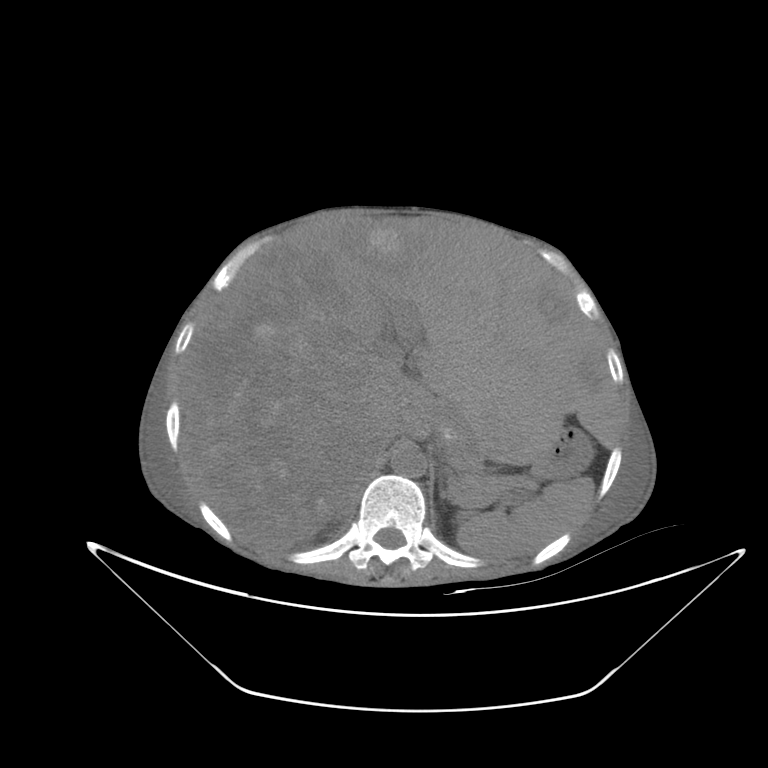
Abdominal CT — Axial slice 80/108 — 768x768 px — 56-year-old male patient
Boxes: x1 y1 x2 y2 (pixel coords, space-separated).
Organ bounding boxes:
- spleen: 456 477 594 557
- liver: 182 215 625 549
- stomach: 531 429 594 477
- aorta: 391 446 427 477
- inferior vena cava: 375 427 398 451
- pancreas: 448 473 503 504
- right adrenal gland: 330 501 357 523